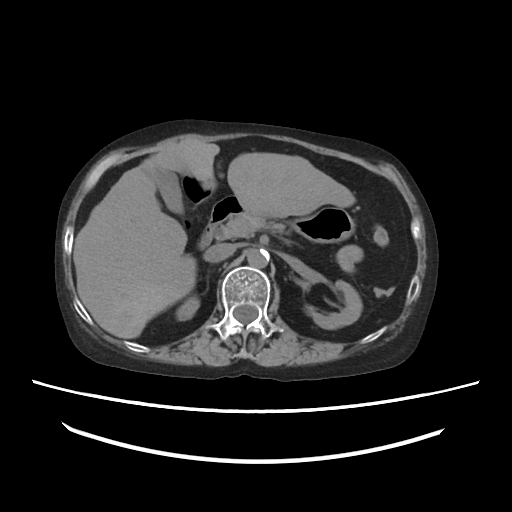 Abdominal CT; axial view; W/L 400/40 HU; 512x512 px
{"organs":{"left kidney":[306,280,362,329],"inferior vena cava":[205,243,235,262],"stomach":[208,196,354,243],"pancreas":[214,212,286,239],"duodenum":[198,214,217,248],"gall bladder":[154,169,183,213],"right kidney":[178,295,199,320],"liver":[73,141,355,338],"aorta":[247,249,269,268]}}